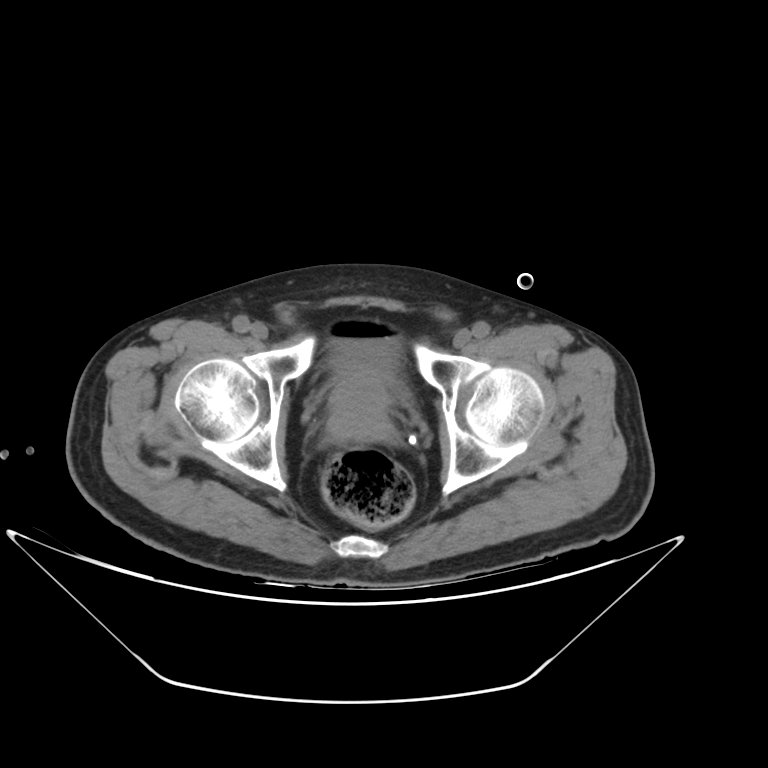 Abdominal CT; axial view; 768x768 px; scan has 15 labeled organs (counted over the whole 3D scan, not this slice; an organ is boxed only where this slice passes through it)
<organs><organ name="bladder" x1="329" y1="327" x2="407" y2="397"/><organ name="prostate/uterus" x1="329" y1="376" x2="389" y2="439"/></organs>